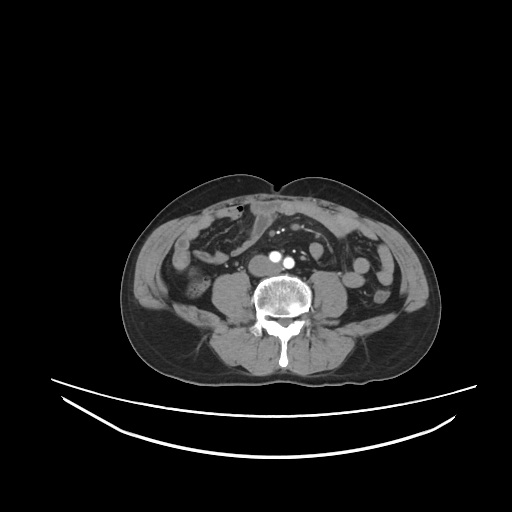
CT abdomen. Axial slice 50/134. soft-tissue window. Aquilion ONE scanner. scan has 15 labeled organs (that count is for the whole scan; organs this slice misses have no box)
Organ boxes in pixel coordinates; each row gives the top-left (x1, y1) and bottom-right (x2, y2) corners.
| organ | x1 | y1 | x2 | y2 |
|---|---|---|---|---|
| inferior vena cava | 248 | 255 | 275 | 275 |